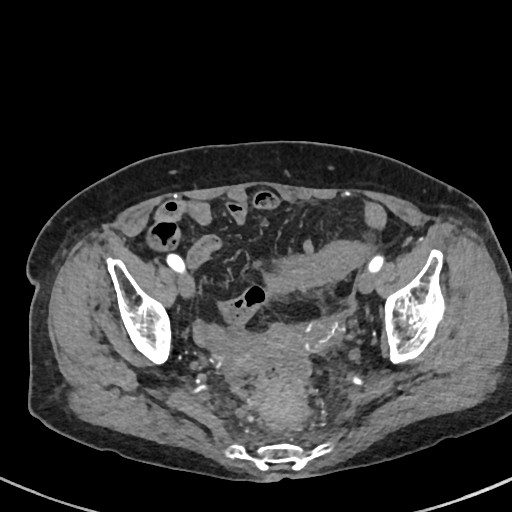 Computed tomography, abdomen; axial view; abdomen soft-tissue window
{"organs":{"prostate/uterus":[274,322,340,351]}}